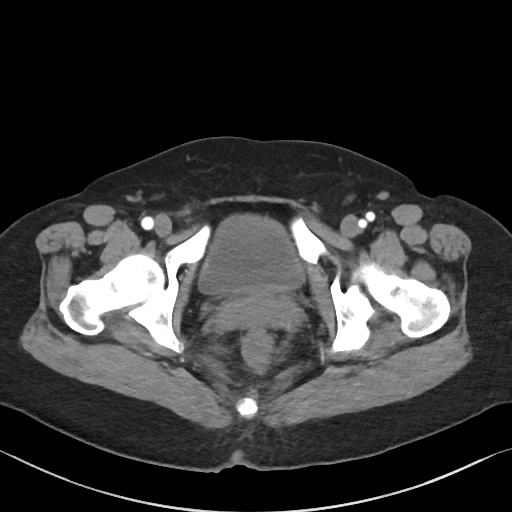
Computed tomography, abdomen; axial plane, index 6; acquired on SOMATOM Force; 15 organs annotated in this scan (counted over the whole 3D scan, not this slice; an organ is boxed only where this slice passes through it)
Boxes are (x1, y1, x2, y2) in pixels. Labeled organs on this slice: bladder at (199, 215, 303, 295).